Abdominal MRI — coronal plane, index 49
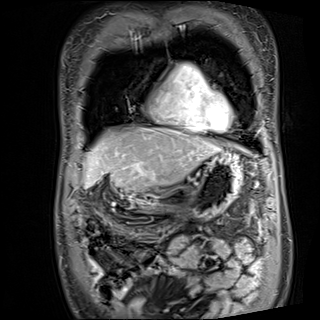 Boxes: x1 y1 x2 y2 (pixel coords, space-separated).
liver: 84 128 219 191
stomach: 127 150 242 217